Magnetic resonance imaging, abdomen — coronal view — 1st–99th percentile window
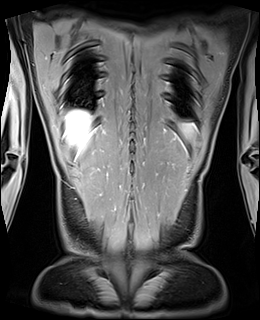 <organs><organ name="spleen" x1="182" y1="123" x2="194" y2="136"/><organ name="liver" x1="65" y1="109" x2="92" y2="153"/></organs>